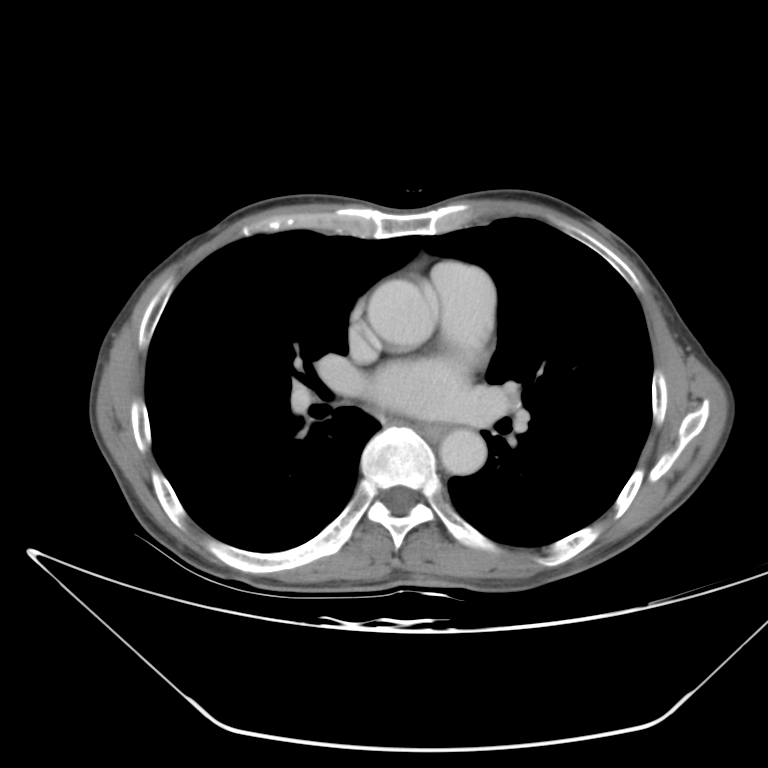
CT of the abdomen extending into the chest, slice through the chest — axial plane, index 72 — W/L 400/40 HU — 62-year-old male patient
On a slice this high in the chest, this dataset labels only the esophagus and the aorta, and each is boxed only where it is labeled; the heart, lungs and other chest structures are not labeled. Box edges are left/top/right/bottom in pixels. Labeled organs on this slice: aorta at left=369, top=278, right=438, bottom=344, aorta at left=437, top=429, right=486, bottom=475, esophagus at left=419, top=422, right=447, bottom=442.